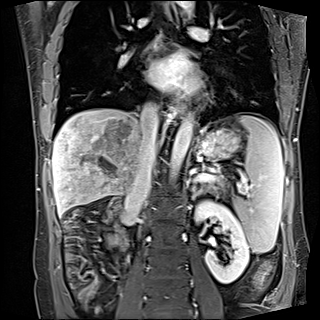 MRI, abdomen; coronal plane, index 24; scan has 13 labeled organs (that count is for the whole scan; organs this slice misses have no box)
Coordinates as <box>x1,y1,x2,y2</box> in pixels.
Organ bounding boxes:
- spleen: <box>234,113,283,253</box>
- left kidney: <box>195,200,249,283</box>
- esophagus: <box>163,1,179,46</box>
- esophagus: <box>175,99,185,115</box>
- liver: <box>52,108,142,215</box>
- stomach: <box>198,128,239,158</box>
- aorta: <box>169,115,193,180</box>
- aorta: <box>176,1,194,15</box>
- inferior vena cava: <box>126,104,159,213</box>
- pancreas: <box>205,183,222,193</box>
- left adrenal gland: <box>191,185,204,200</box>
- duodenum: <box>108,197,129,246</box>